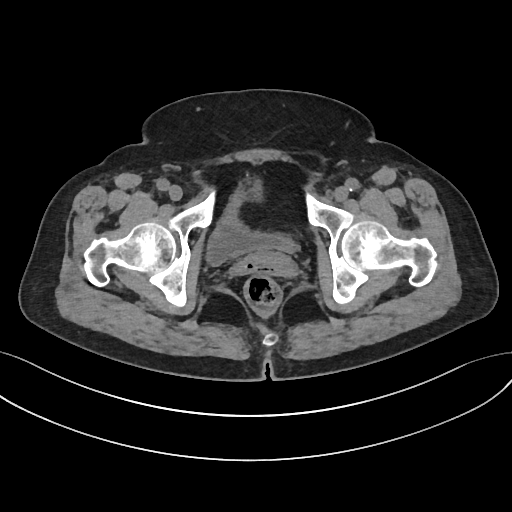

CT, abdomen/pelvis · axial view
One row per box, in pixels: columns x1 and y1 give the top-left corner, x2 and y2 the bottom-right.
| organ | x1 | y1 | x2 | y2 |
|---|---|---|---|---|
| bladder | 207 | 184 | 298 | 266 |